Abdominal CT · Axial slice 43/279
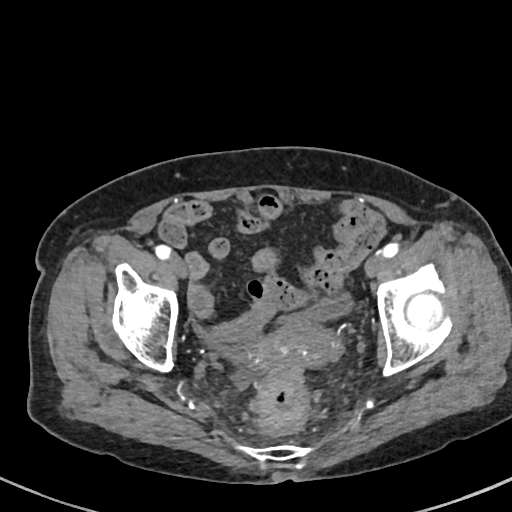

{"organs":{"bladder":[278,296,352,321],"prostate/uterus":[267,321,339,363]}}